CT, abdomen/pelvis. axial view
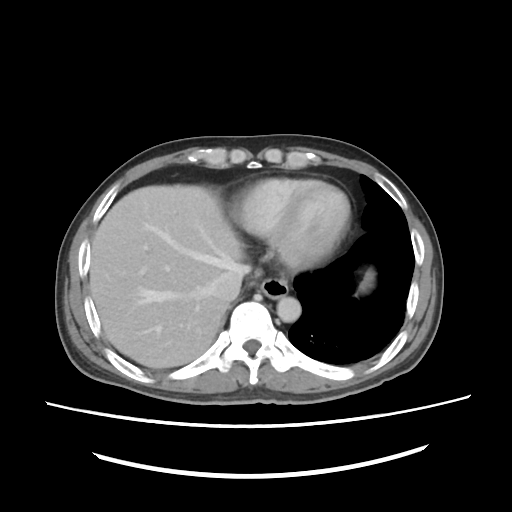
<organs><organ name="spleen" x1="357" y1="270" x2="373" y2="294"/><organ name="inferior vena cava" x1="211" y1="263" x2="250" y2="300"/><organ name="aorta" x1="276" y1="295" x2="300" y2="321"/><organ name="esophagus" x1="257" y1="278" x2="290" y2="296"/><organ name="liver" x1="90" y1="184" x2="241" y2="367"/></organs>